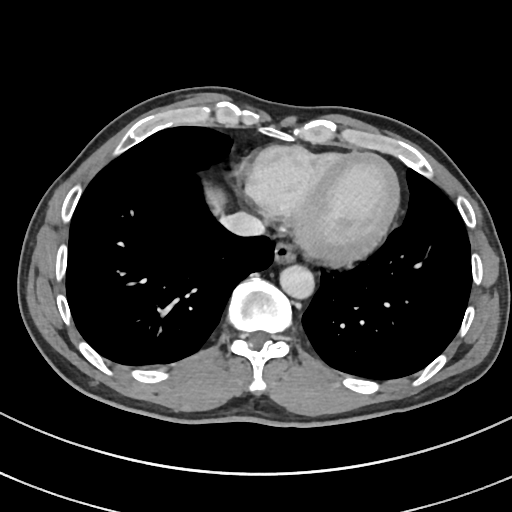

CT, abdomen/pelvis; axial plane, index 177; abdomen soft-tissue window; SOMATOM Force scanner
Boxes are (x1, y1, x2, y2) in pixels.
Organ bounding boxes:
- inferior vena cava: (219, 211, 265, 236)
- aorta: (279, 264, 314, 297)
- esophagus: (274, 240, 296, 262)
- liver: (205, 188, 223, 208)